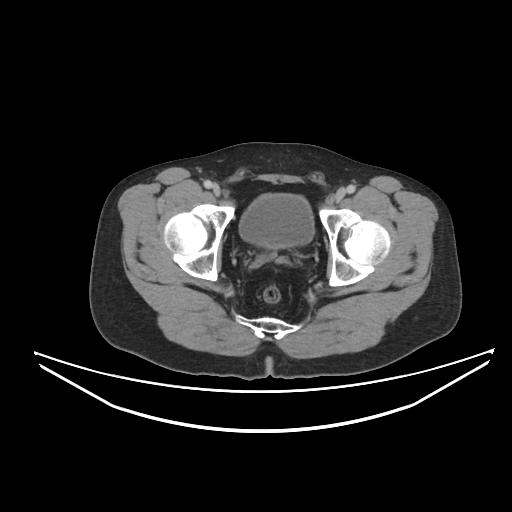
CT, abdomen/pelvis. Axial slice 15/131
Boxes: x1 y1 x2 y2 (pixel coords, space-separated).
Organ bounding boxes:
- bladder: 239 194 314 248